CT abdomen — Axial slice 52/89 — abdomen soft-tissue window — 512x512 px
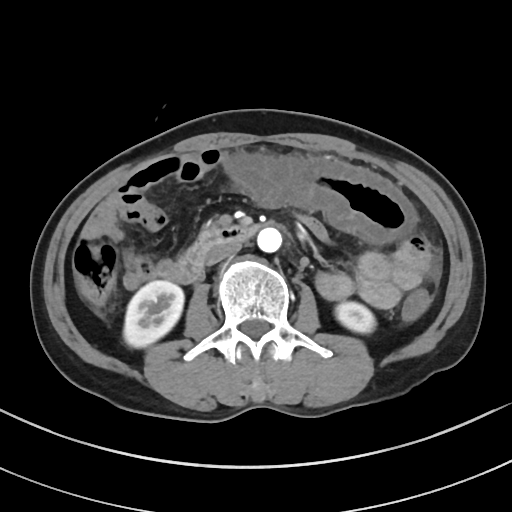

Boxes are (x1, y1, x2, y2) in pixels. 5 labeled organs on this slice — right kidney at (123, 281, 183, 347); left kidney at (335, 301, 375, 333); aorta at (257, 227, 281, 252); inferior vena cava at (206, 242, 241, 264); duodenum at (174, 225, 259, 283).